Abdominal CT — Axial slice 13/89 — soft-tissue window (W 400 / L 40) — 512x512 px — 68-year-old male patient
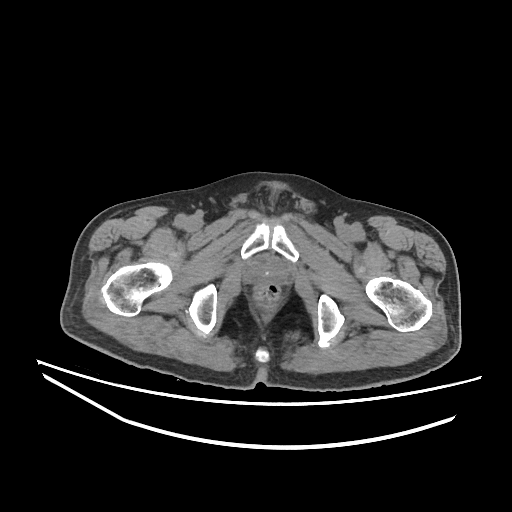

Coordinates as <box>x1,y1,x2,y2</box> in pixels.
prostate/uterus: <box>247,257,286,285</box>